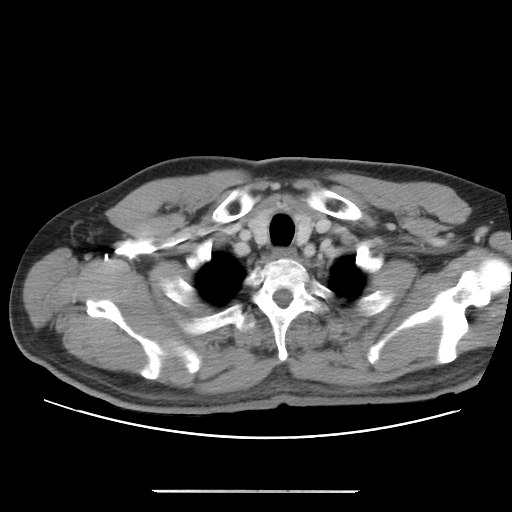
CT of the abdomen extending into the chest, slice through the chest; axial view; W/L 400/40 HU; 15 organs annotated in this scan (that count is for the whole scan; organs this slice misses have no box)
At this level of the chest this dataset labels only the esophagus and the aorta, and each is boxed only where it is labeled; the heart and lungs are never labeled.
{"organs":{"esophagus":[272,249,297,259]}}